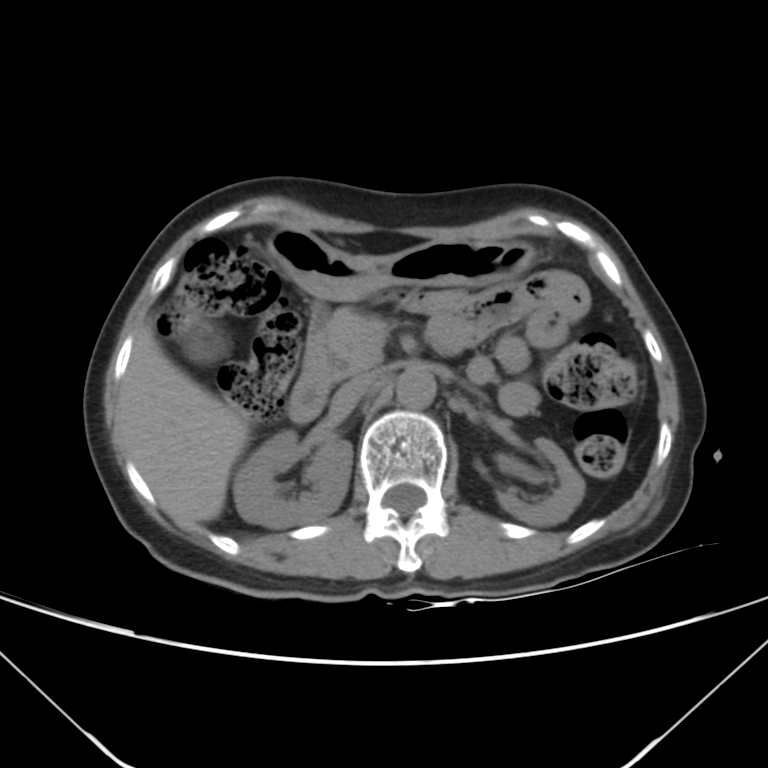

CT abdomen — axial plane, index 68 — 768x768 px
Boxes: x1 y1 x2 y2 (pixel coords, space-separated). The annotated organs in this slice are: inferior vena cava at 333 372 374 411, right kidney at 232 429 352 528, liver at 120 325 249 524, gall bladder at 182 323 228 362, aorta at 396 365 435 407, duodenum at 288 302 467 423, pancreas at 323 307 386 381, stomach at 269 229 535 299, left kidney at 499 438 584 524.